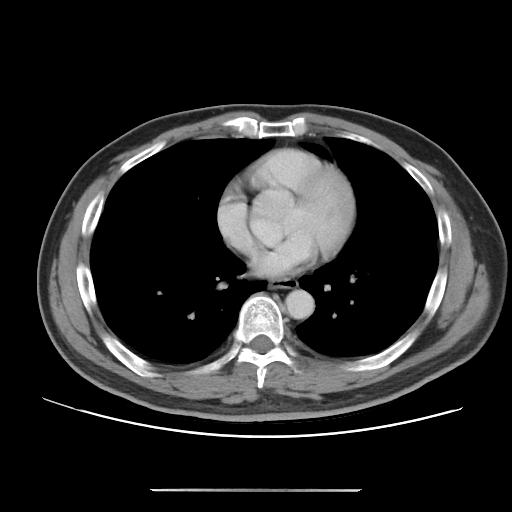
Lower-chest slice from an abdominal CT, just above the liver and spleen. Axial slice 99/131. acquired on SOMATOM Force
Of the structures in the chest, this dataset labels only the esophagus, the aorta and the inferior vena cava; the heart and lungs have no label.
{"organs":{"esophagus":[269,278,297,289],"aorta":[285,289,314,319]}}